Abdominal CT · Axial slice 13/87 · Aquilion ONE scanner · 15 organs annotated in this scan (counted over the whole 3D scan, not this slice; an organ is boxed only where this slice passes through it)
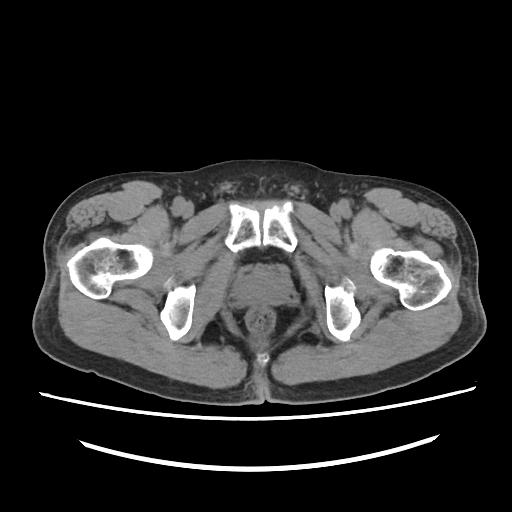 Box edges are left/top/right/bottom in pixels.
prostate/uterus: left=238, top=272, right=288, bottom=302